CT, abdomen/pelvis; axial view
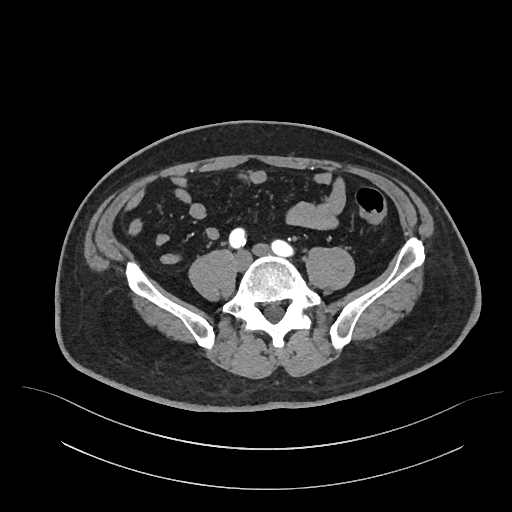

Boxes are (x1, y1, x2, y2) in pixels.
aorta: (273, 245, 278, 252)